CT abdomen — axial view
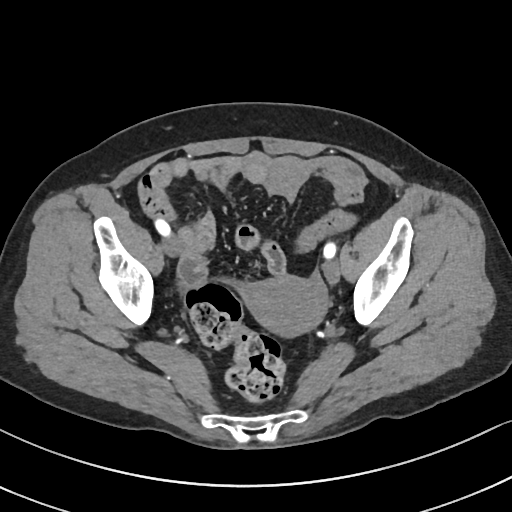
{"organs":{"prostate/uterus":[243,276,326,335]}}